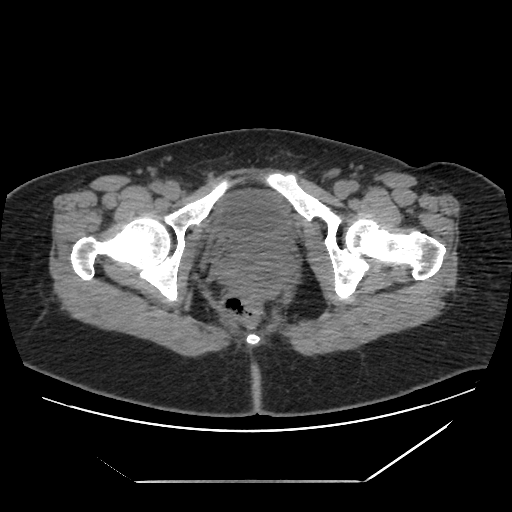 Abdominal CT · axial view
Coordinates as <box>x1,y1,x2,y2</box> in pixels.
Organ bounding boxes:
- bladder: <box>206,188,292,249</box>